Chest-level slice from an abdominal CT that extends up into the chest — axial view
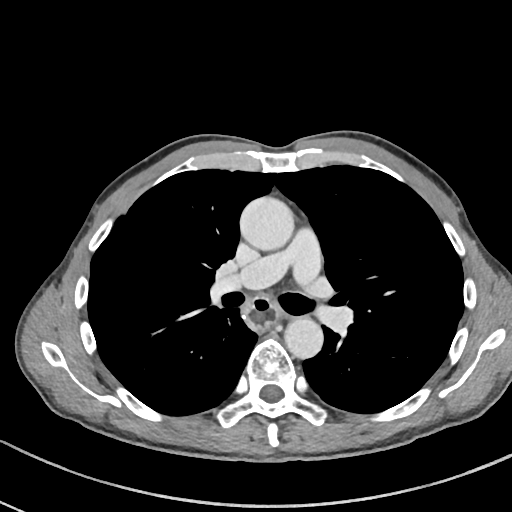 At this level of the chest this dataset labels only the esophagus and the aorta, and each is boxed only where it is labeled; the heart and lungs are never labeled.
Bounding boxes in pixels, one row per box: x1, y1 is the top-left corner and x2, y2 the bottom-right.
| organ | x1 | y1 | x2 | y2 |
|---|---|---|---|---|
| aorta | 239 | 196 | 294 | 250 |
| aorta | 284 | 317 | 323 | 358 |
| esophagus | 247 | 296 | 277 | 330 |